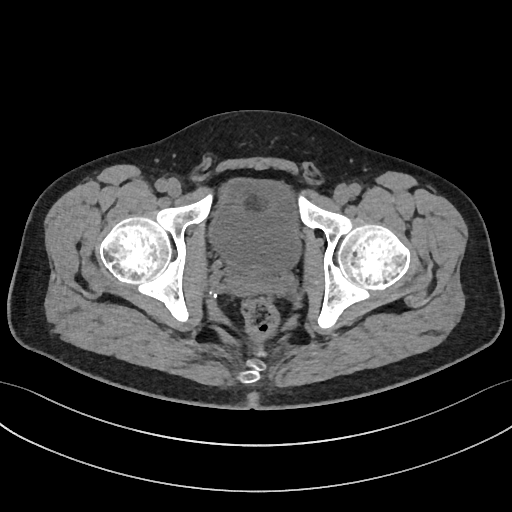
Abdominal CT · axial view · 512x512 px · acquired on SOMATOM Force
Each box given as x1,y1,x2,y2. Labeled organs on this slice: bladder at x1=209, y1=178, x2=300, y2=272.